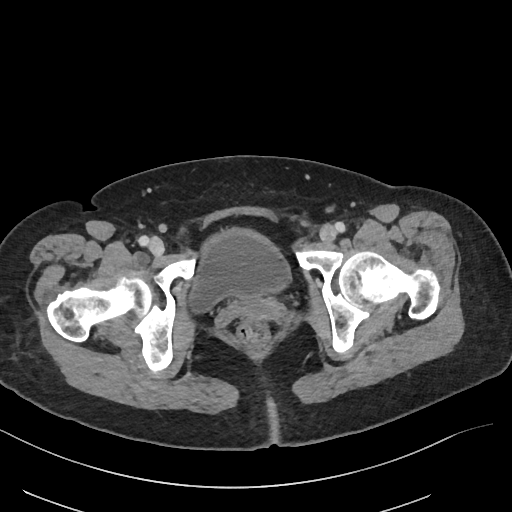

CT abdomen; axial view; soft-tissue window (W 400 / L 40); 15 organs annotated in this scan (counted over the whole 3D scan, not this slice; an organ is boxed only where this slice passes through it)
Boxes: x1:y1:x2:y2 in pixels.
Organ bounding boxes:
- bladder: 187:226:291:314